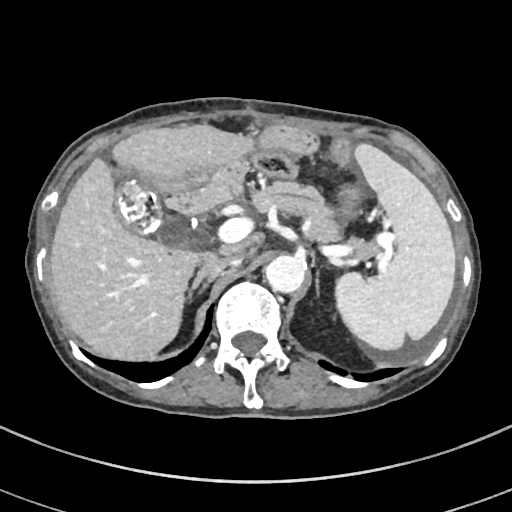
Computed tomography, abdomen; axial view; 512x512 px
Boxes: x1:y1:x2:y2 in pixels.
aorta: 265:255:304:293
right adrenal gland: 187:264:224:300
inferior vena cava: 204:255:240:265
gall bladder: 114:179:162:232
left adrenal gland: 316:279:318:288
liver: 50:124:255:360
spleen: 335:143:455:350
pancreas: 251:181:376:257